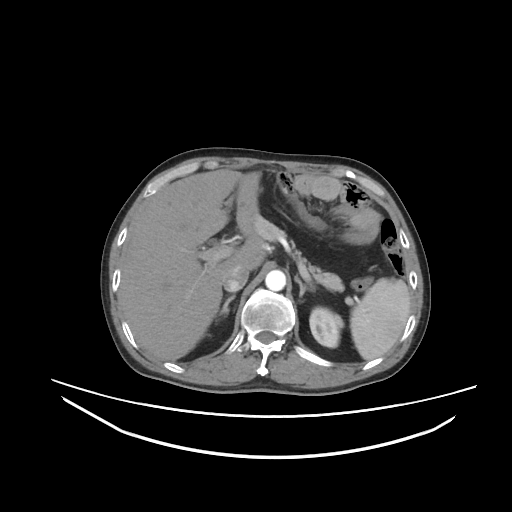 CT abdomen. axial plane, index 76. 512x512 px. 15 organs annotated in this scan (that count is for the whole scan; organs this slice misses have no box)
Box edges are left/top/right/bottom in pixels.
Organ bounding boxes:
- spleen: left=350, top=278, right=410, bottom=360
- left kidney: left=309, top=307, right=342, bottom=347
- liver: left=119, top=169, right=265, bottom=360
- aorta: left=265, top=270, right=285, bottom=290
- inferior vena cava: left=223, top=264, right=249, bottom=291
- pancreas: left=253, top=214, right=344, bottom=291
- right adrenal gland: left=219, top=295, right=235, bottom=315
- left adrenal gland: left=295, top=275, right=315, bottom=296